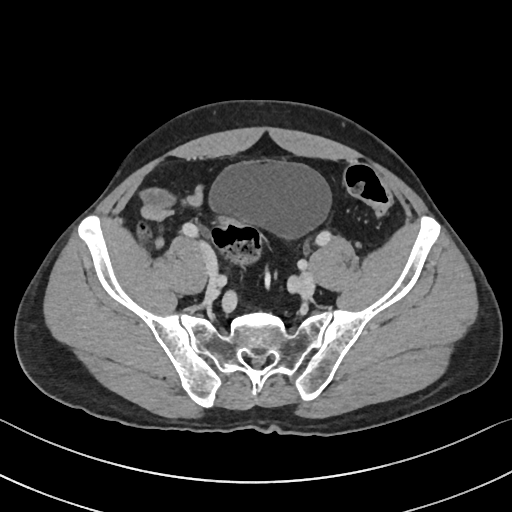 Abdominal CT — axial view — 512x512 px
<organs><organ name="bladder" x1="207" y1="160" x2="332" y2="240"/></organs>